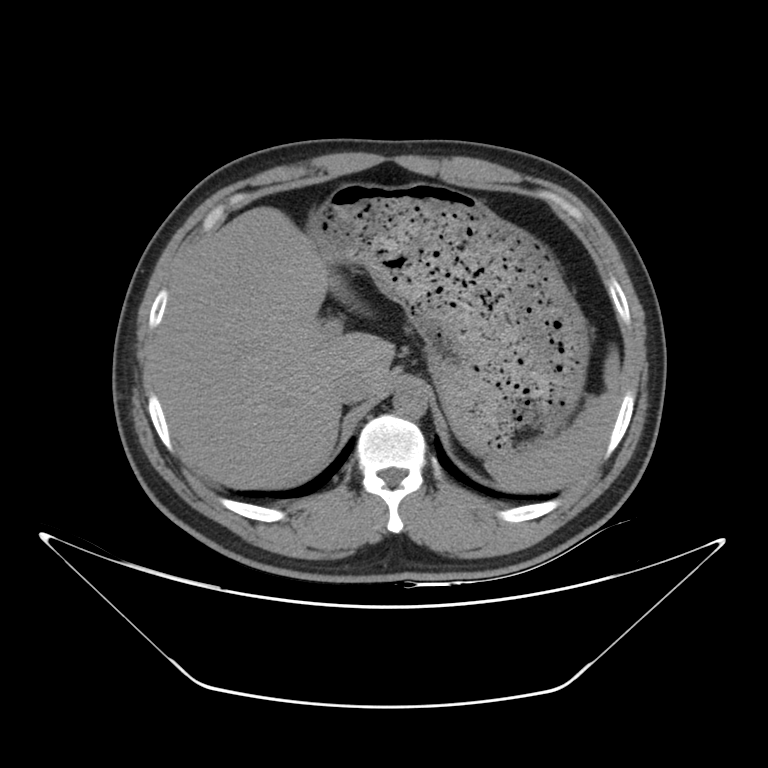 Computed tomography, abdomen · axial view · abdomen soft-tissue window
Boxes: x1 y1 x2 y2 (pixel coords, space-separated).
spleen: 485 349 620 492
inferior vena cava: 333 370 369 403
stomach: 306 183 588 460
liver: 153 206 394 488
aorta: 394 386 427 418